CT abdomen; axial plane, index 38; 66-year-old male patient
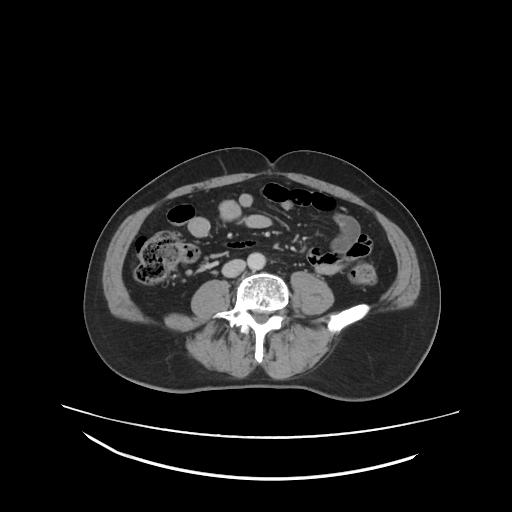

Each box given as x1,y1,x2,y2.
aorta: x1=247, y1=254, x2=267, y2=269
inferior vena cava: x1=223, y1=259, x2=244, y2=277